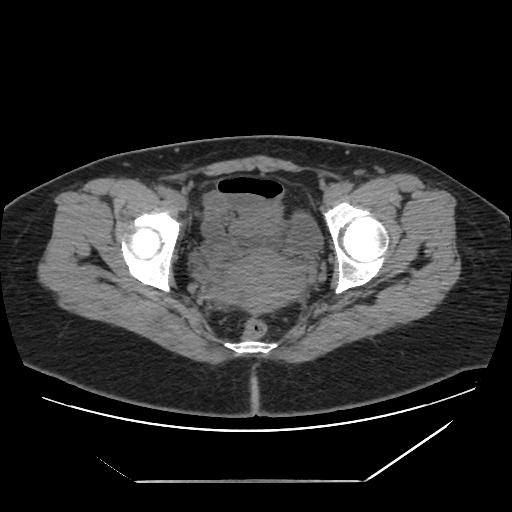
CT abdomen. axial plane, index 41. abdomen soft-tissue window. 512x512 px
Each box given as x1,y1,x2,y2.
Organ bounding boxes:
- bladder: x1=292, y1=217, x2=321, y2=252
- prostate/uterus: x1=213, y1=252, x2=301, y2=315